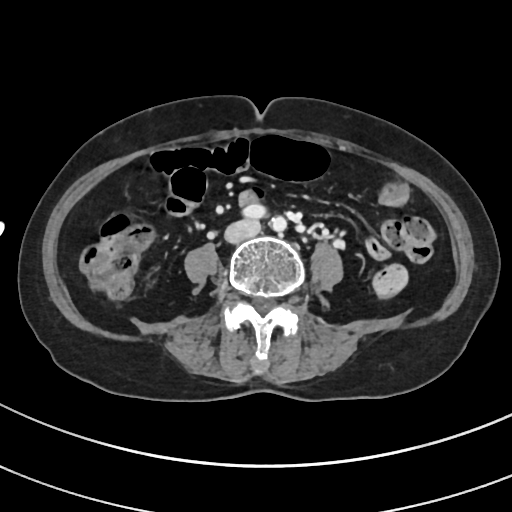 Computed tomography, abdomen; axial view; soft-tissue window
Boxes: x1 y1 x2 y2 (pixel coords, space-separated). 1 labeled organ on this slice — inferior vena cava at 224 220 260 243.